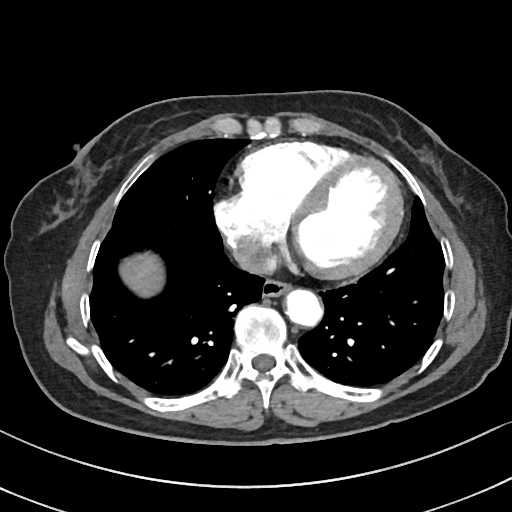 Abdominal CT; Axial slice 208/294; soft-tissue window; 512x512 px
Each box given as x1,y1,x2,y2. Labeled organs on this slice: esophagus at x1=262, y1=281, x2=291, y2=297, liver at x1=122, y1=254, x2=161, y2=293, aorta at x1=287, y1=290, x2=323, y2=327, inferior vena cava at x1=235, y1=252, x2=252, y2=268.